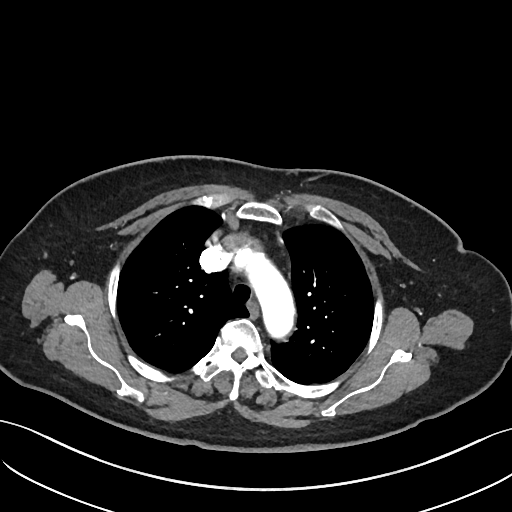
Chest-level CT slice, above the liver and spleen. axial view. 15 organs annotated in this scan (counted over the whole 3D scan, not this slice; an organ is boxed only where this slice passes through it)
At this level of the chest no structure but the esophagus and the aorta has a label in this dataset, and those two are boxed only where they are labeled.
{"organs":{"aorta":[243,253,297,341],"esophagus":[247,302,258,317]}}